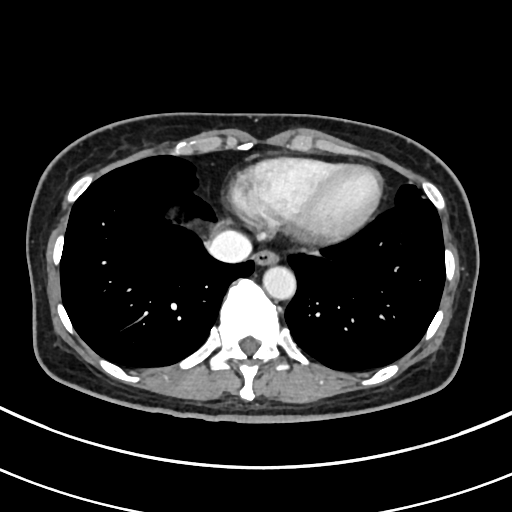
Abdominal CT; this slice is in the lower chest, just above the liver · Axial slice 186/192 · soft-tissue window, W/L 400/40 · 512x512 px
Of the structures in the chest, this dataset labels only the esophagus, the aorta and the inferior vena cava; the heart and lungs have no label.
Bounding boxes in pixels, one row per box: x1, y1 is the top-left corner and x2, y2 the bottom-right.
| organ | x1 | y1 | x2 | y2 |
|---|---|---|---|---|
| esophagus | 253 | 250 | 278 | 265 |
| aorta | 262 | 266 | 296 | 300 |
| inferior vena cava | 208 | 230 | 251 | 263 |